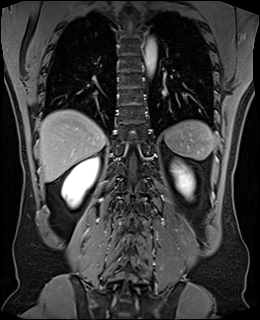

Magnetic resonance imaging, abdomen — coronal view — 260x320 px — 13 organs annotated in this scan (counted over the whole 3D scan, not this slice; an organ is boxed only where this slice passes through it)
Organ boxes in pixel coordinates; each row gives the top-left (x1, y1) and bottom-right (x2, y2) corners.
| organ | x1 | y1 | x2 | y2 |
|---|---|---|---|---|
| liver | 39 | 110 | 106 | 181 |
| right kidney | 62 | 157 | 99 | 207 |
| aorta | 144 | 37 | 157 | 75 |
| left kidney | 171 | 162 | 195 | 198 |
| spleen | 164 | 120 | 216 | 160 |